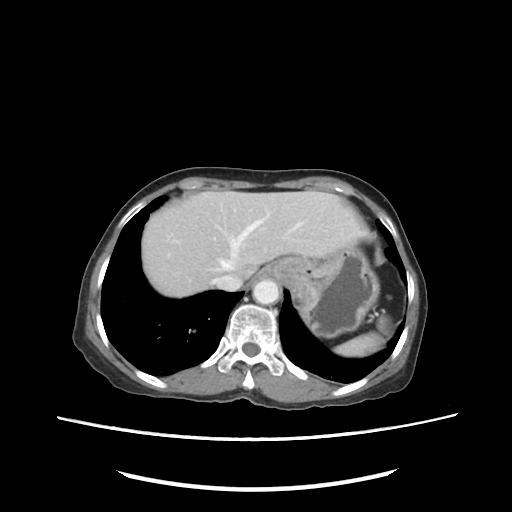
Abdominal CT · axial view · soft-tissue window
{"organs":{"spleen":[333,316,394,356],"liver":[143,190,367,297],"stomach":[261,250,378,337],"aorta":[253,280,279,304],"inferior vena cava":[214,275,242,291]}}